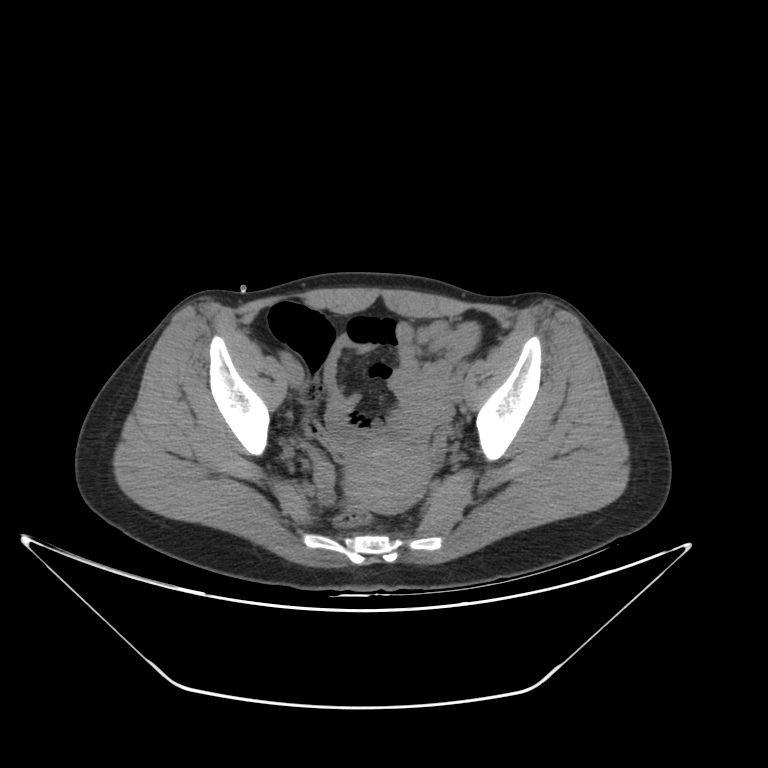
CT abdomen; axial plane, index 26; 43-year-old female patient
Boxes: x1:y1:x2:y2 in pixels. The annotated organs in this slice are: prostate/uterus at 344:442:431:513.